MRI, abdomen; coronal plane, index 95; percentile-normalized; acquired on Prisma
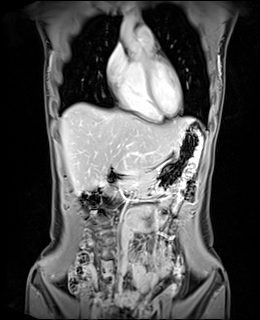

<organs><organ name="liver" x1="60" y1="103" x2="193" y2="192"/><organ name="aorta" x1="120" y1="13" x2="136" y2="37"/><organ name="duodenum" x1="104" y1="168" x2="139" y2="185"/><organ name="stomach" x1="135" y1="125" x2="203" y2="189"/><organ name="pancreas" x1="103" y1="167" x2="153" y2="199"/><organ name="gall bladder" x1="88" y1="189" x2="92" y2="190"/></organs>